Abdominal CT · axial plane, index 306 · W/L 400/40 HU · 512x512 px
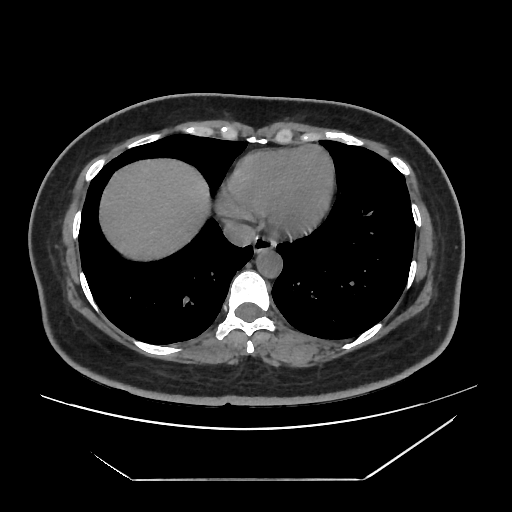
{"organs":{"esophagus":[253,236,275,253],"liver":[100,159,209,260],"aorta":[256,249,282,277],"inferior vena cava":[223,221,256,246]}}